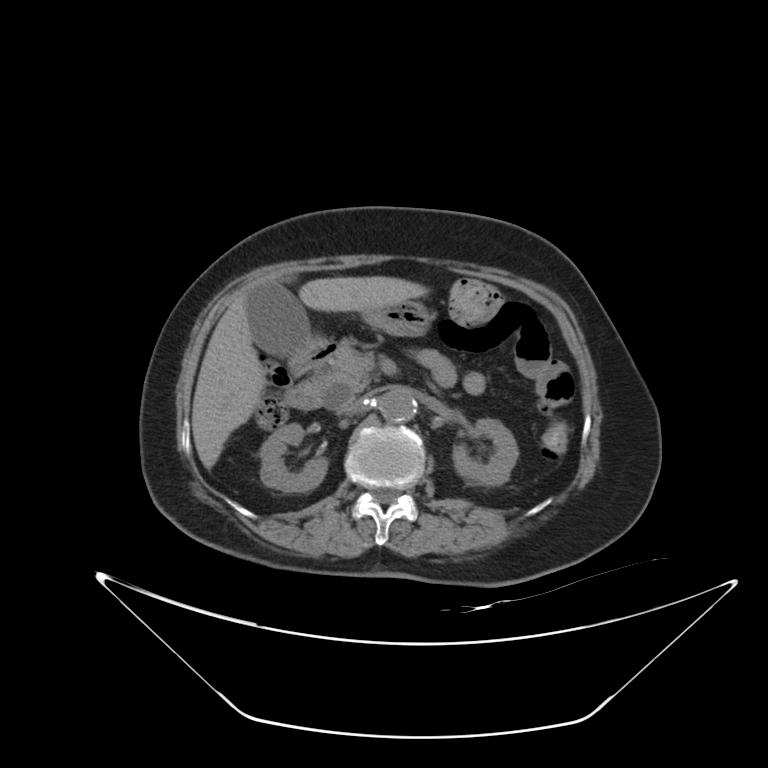 CT abdomen · Axial slice 61/89 · 768x768 px · 78-year-old female patient
{"organs":{"duodenum":[284,339,337,409],"left kidney":[453,419,518,485],"gall bladder":[247,280,310,358],"inferior vena cava":[337,400,360,414],"liver":[191,276,429,468],"pancreas":[311,338,372,395],"right kidney":[260,424,328,491],"stomach":[305,301,434,347],"aorta":[380,389,416,422]}}